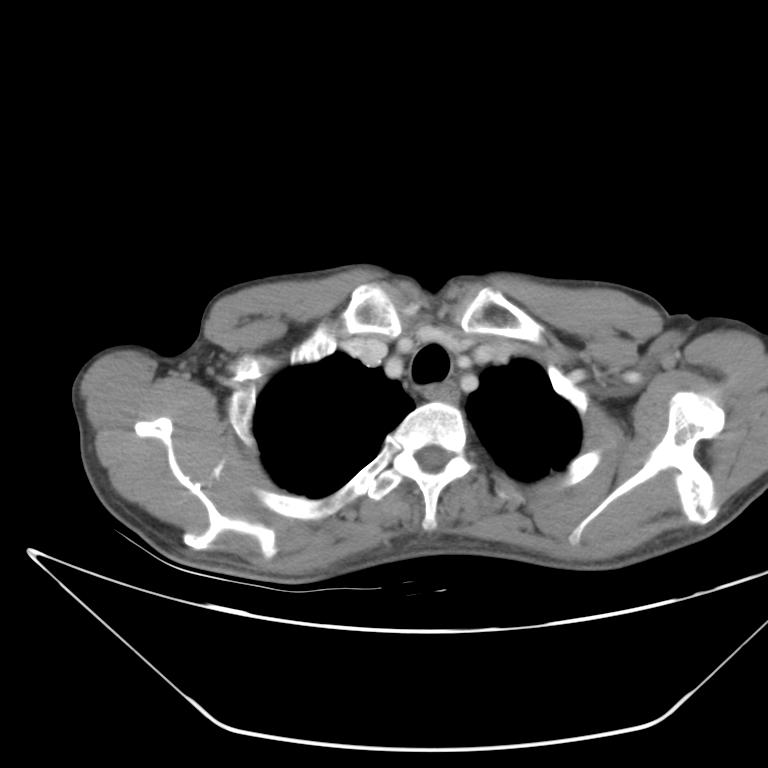 CT of the abdomen extending into the chest, slice through the chest. axial plane, index 95. scan has 13 labeled organs (a whole-scan count: organs this slice does not pass through have no box)
At this level of the chest no structure but the esophagus and the aorta has a label in this dataset, and those two are boxed only where they are labeled.
Box edges are left/top/right/bottom in pixels.
esophagus: left=430, top=383, right=458, bottom=404